Abdominal CT reaching into the chest; this slice is in the chest · axial view · W/L 400/40 HU · scan has 15 labeled organs (a whole-scan count: organs this slice does not pass through have no box)
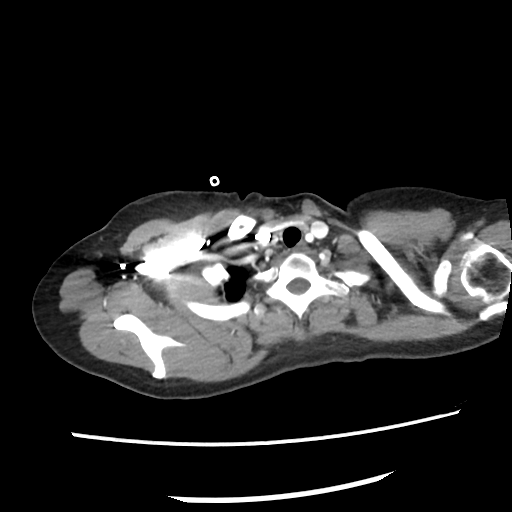 At this level of the chest this dataset labels only the esophagus and the aorta, and each is boxed only where it is labeled; the heart and lungs are never labeled.
Organ boxes in pixel coordinates; each row gives the top-left (x1, y1) and bottom-right (x2, y2) corners.
| organ | x1 | y1 | x2 | y2 |
|---|---|---|---|---|
| esophagus | 294 | 243 | 307 | 252 |